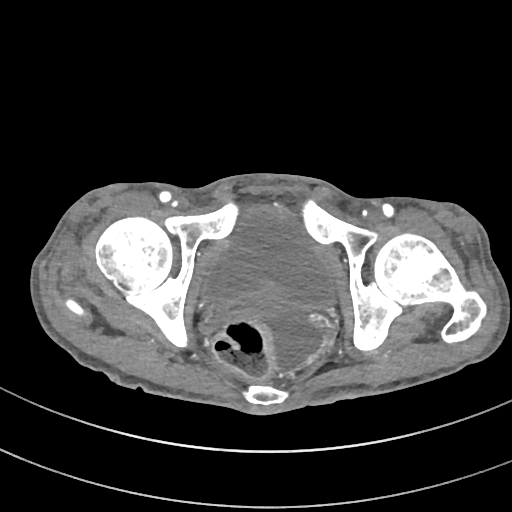 CT abdomen · Axial slice 14/218 · soft-tissue window (W 400 / L 40) · 512x512 px · SOMATOM Force scanner
{"organs":{"bladder":[202,204,334,306],"prostate/uterus":[254,286,283,306]}}